Abdominal CT · axial view · 39-year-old male patient · 15 organs annotated in this scan (counted over the whole 3D scan, not this slice; an organ is boxed only where this slice passes through it)
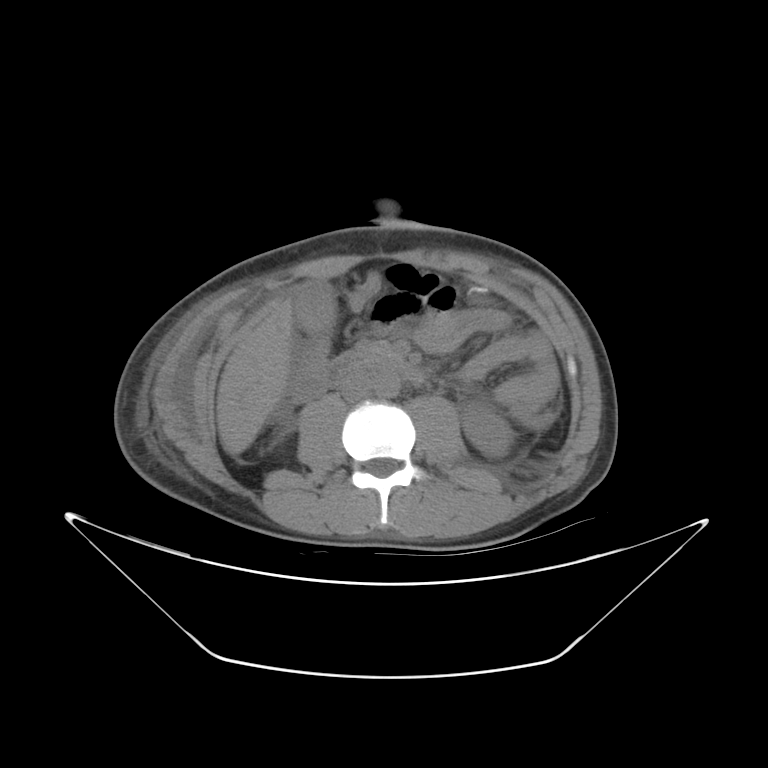

One row per box, in pixels: columns x1 and y1 give the top-left corner, x2 and y2 the bottom-right.
| organ | x1 | y1 | x2 | y2 |
|---|---|---|---|---|
| left kidney | 461 | 402 | 512 | 457 |
| gall bladder | 293 | 284 | 334 | 331 |
| liver | 217 | 300 | 292 | 450 |
| aorta | 373 | 372 | 400 | 397 |
| inferior vena cava | 339 | 372 | 372 | 401 |
| pancreas | 350 | 343 | 390 | 364 |
| duodenum | 328 | 354 | 423 | 384 |